Chest-level CT slice, above the liver and spleen — Axial slice 116/131 — 60-year-old male patient
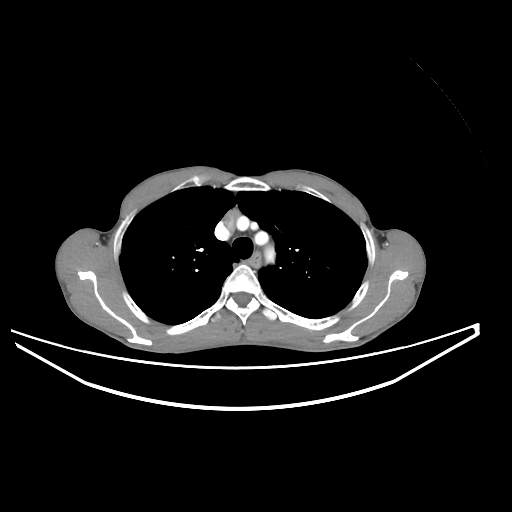 At this level of the chest this dataset labels only the esophagus and the aorta, and each is boxed only where it is labeled; the heart and lungs are never labeled.
<organs><organ name="esophagus" x1="249" y1="251" x2="262" y2="267"/><organ name="aorta" x1="264" y1="246" x2="275" y2="262"/></organs>